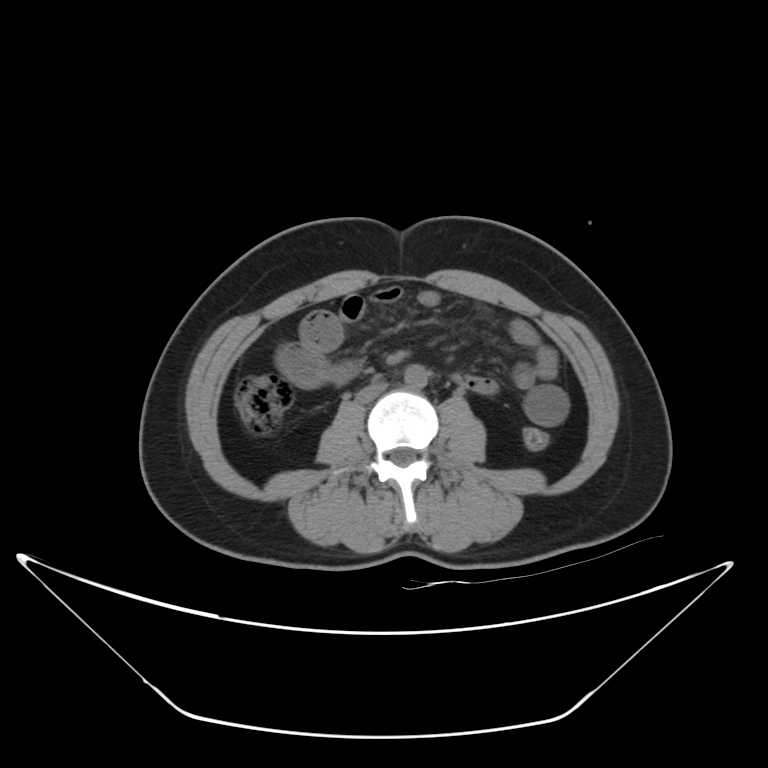
CT abdomen — Axial slice 54/105 — soft-tissue window — 768x768 px
Bounding boxes in pixels, one row per box: x1, y1 is the top-left corner and x2, y2 the bottom-right.
| organ | x1 | y1 | x2 | y2 |
|---|---|---|---|---|
| aorta | 404 | 364 | 427 | 388 |
| inferior vena cava | 354 | 383 | 387 | 403 |